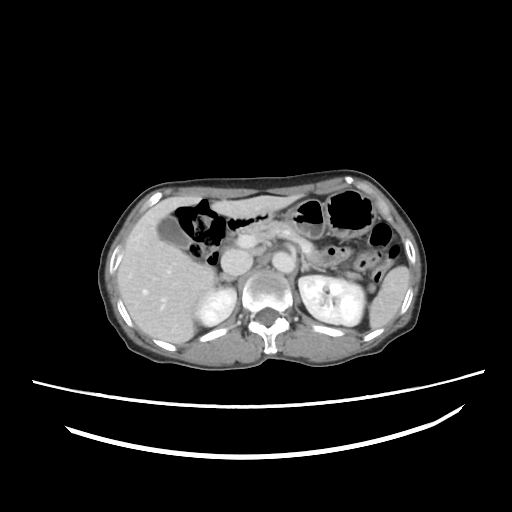
CT abdomen. axial view. 68-year-old female patient. acquired on Aquilion ONE
{"organs":{"spleen":[368,267,409,329],"right kidney":[191,286,236,325],"left kidney":[299,275,365,325],"gall bladder":[157,215,190,249],"liver":[117,194,304,343],"stomach":[271,190,377,238],"aorta":[272,250,294,272],"inferior vena cava":[220,248,252,275],"pancreas":[241,221,359,279],"right adrenal gland":[218,273,235,281],"left adrenal gland":[301,254,325,272],"duodenum":[225,210,271,238]}}